CT abdomen — axial plane, index 43 — soft-tissue window — 62-year-old male patient
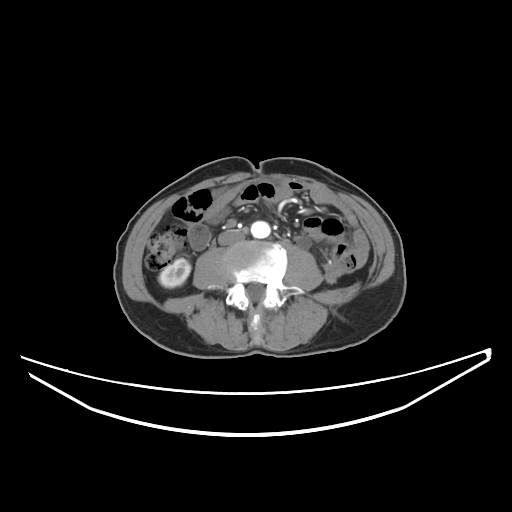

<organs><organ name="right kidney" x1="158" y1="258" x2="190" y2="287"/><organ name="aorta" x1="251" y1="221" x2="270" y2="238"/><organ name="inferior vena cava" x1="218" y1="229" x2="244" y2="245"/></organs>